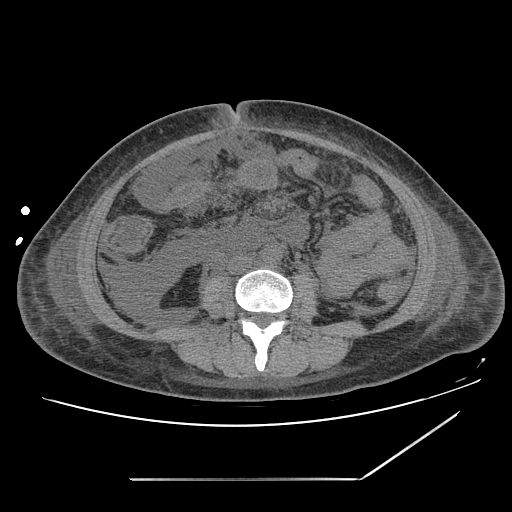 CT, abdomen/pelvis; axial plane, index 86; SOMATOM Force scanner
Each box given as x1,y1,x2,y2. Labeled organs on this slice: aorta at x1=261, y1=245, x2=282, y2=265, inferior vena cava at x1=228, y1=255, x2=253, y2=273.